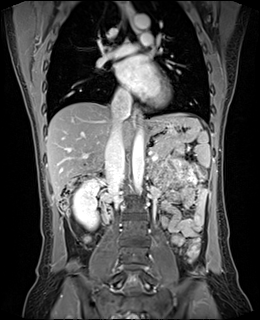 Abdominal MRI. coronal acquisition. 260x320 px
Box edges are left/top/right/bottom in pixels.
spleen: left=194, top=131, right=210, bottom=167
right kidney: left=73, top=179, right=103, bottom=229
esophagus: left=134, top=108, right=142, bottom=125
esophagus: left=128, top=6, right=134, bottom=19
liver: left=46, top=102, right=187, bottom=198
stomach: left=147, top=116, right=200, bottom=142
aorta: left=132, top=130, right=144, bottom=193
aorta: left=132, top=15, right=149, bottom=28
inferior vena cava: left=105, top=92, right=131, bottom=201
pancreas: left=152, top=141, right=182, bottom=159